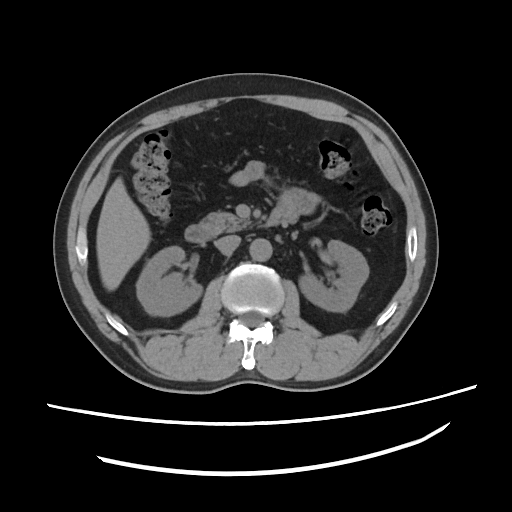
CT, abdomen/pelvis — axial view — soft-tissue window — 45-year-old male patient
<organs><organ name="aorta" x1="249" y1="238" x2="271" y2="260"/><organ name="inferior vena cava" x1="214" y1="234" x2="240" y2="254"/><organ name="duodenum" x1="184" y1="225" x2="214" y2="242"/><organ name="left kidney" x1="298" y1="240" x2="367" y2="310"/><organ name="right kidney" x1="136" y1="246" x2="201" y2="316"/><organ name="pancreas" x1="199" y1="211" x2="250" y2="234"/><organ name="liver" x1="95" y1="177" x2="150" y2="289"/></organs>